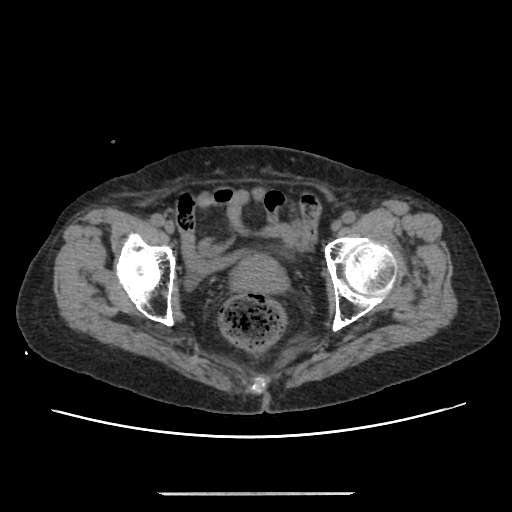
Computed tomography, abdomen; Axial slice 65/353; 14 organs annotated in this scan (counted over the whole 3D scan, not this slice; an organ is boxed only where this slice passes through it)
<organs><organ name="prostate/uterus" x1="233" y1="250" x2="284" y2="292"/></organs>